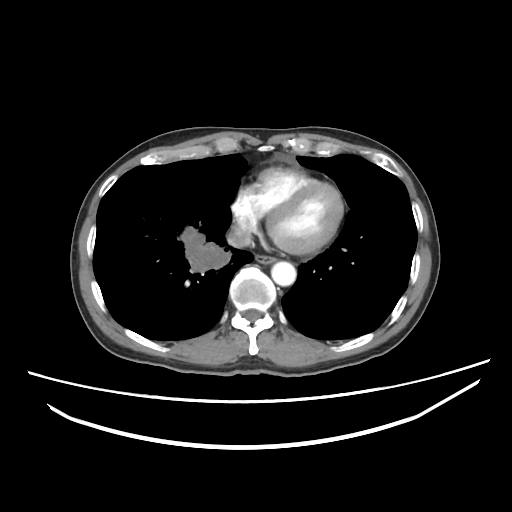

Abdominal CT; this slice is in the lower chest, just above the liver · axial view · 512x512 px
No part of the heart or lungs is labeled in this dataset, so neither has a box here.
Each box given as x1,y1,x2,y2.
Organ bounding boxes:
- inferior vena cava: x1=226, y1=225, x2=251, y2=248
- aorta: x1=271, y1=261, x2=296, y2=286
- esophagus: x1=255, y1=254, x2=275, y2=263